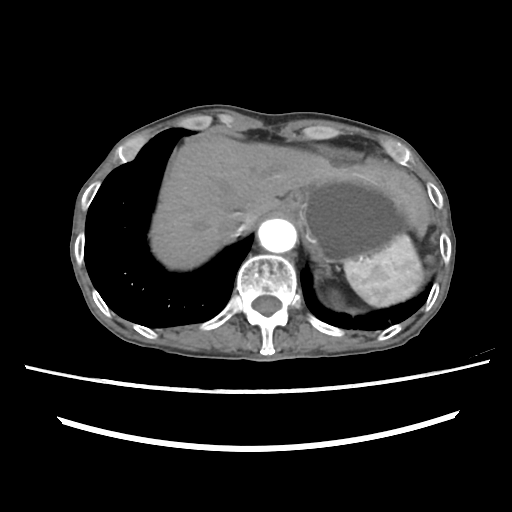
CT abdomen. Axial slice 69/120
Bounding boxes as [x1, y1, x2, y2] in pixel coordinates.
spleen: [344, 235, 423, 307]
left kidney: [330, 292, 343, 308]
esophagus: [283, 190, 302, 211]
liver: [150, 134, 430, 269]
stomach: [296, 179, 411, 263]
aorta: [258, 218, 296, 253]
inferior vena cava: [217, 211, 248, 239]